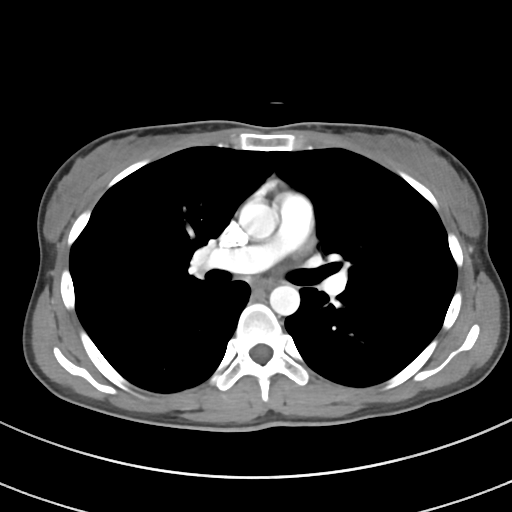

Abdominal CT reaching into the chest; this slice is in the chest — axial view — soft-tissue window (W 400 / L 40)
At this level of the chest no structure but the esophagus and the aorta has a label in this dataset, and those two are boxed only where they are labeled.
Coordinates as <box>x1,y1,x2,y2</box> in pixels.
Organ bounding boxes:
- esophagus: <box>252,279,272,291</box>
- aorta: <box>239,201,277,239</box>
- aorta: <box>269,285,299,315</box>